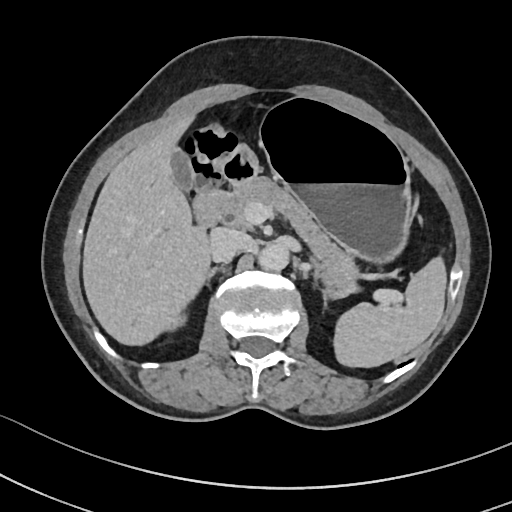
Computed tomography, abdomen — axial view — acquired on SOMATOM Force
{"organs":{"spleen":[333,257,446,367],"right kidney":[173,315,186,329],"inferior vena cava":[209,228,249,262],"pancreas":[220,177,360,295],"aorta":[258,243,289,270],"duodenum":[193,156,258,229],"right adrenal gland":[203,267,222,285],"liver":[83,114,211,345],"gall bladder":[171,148,194,192],"left adrenal gland":[309,257,318,286],"stomach":[229,98,411,262]}}